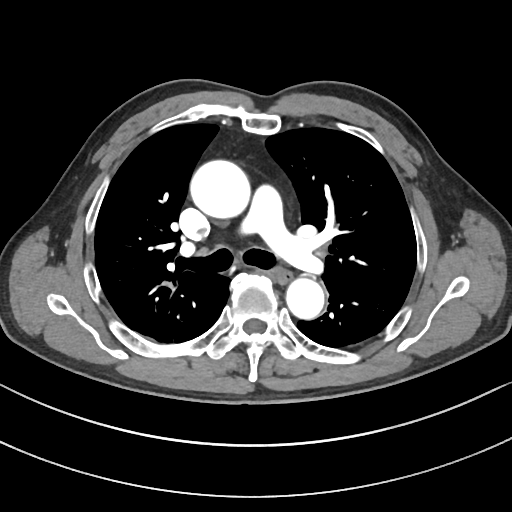 CT of the abdomen extending into the chest, slice through the chest — axial view — soft-tissue window — 512x512 px
On a slice this high in the chest, this dataset labels only the esophagus and the aorta, and each is boxed only where it is labeled; the heart, lungs and other chest structures are not labeled.
Organ boxes in pixel coordinates; each row gives the top-left (x1, y1) and bottom-right (x2, y2) corners.
| organ | x1 | y1 | x2 | y2 |
|---|---|---|---|---|
| esophagus | 274 | 271 | 292 | 284 |
| aorta | 189 | 159 | 249 | 217 |
| aorta | 286 | 279 | 324 | 320 |